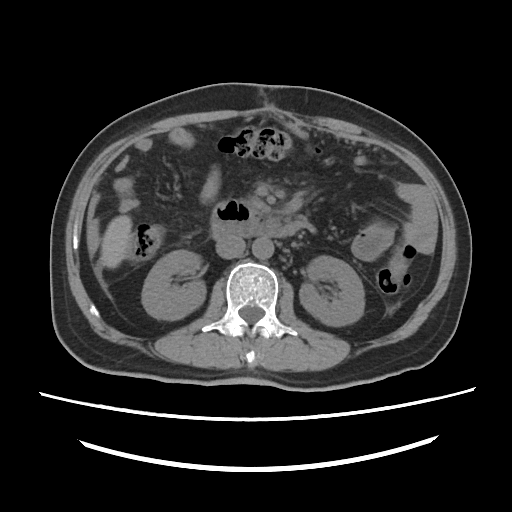
Computed tomography, abdomen — axial view — 512x512 px
Organ boxes in pixel coordinates; each row gives the top-left (x1, y1) and bottom-right (x2, y2) corners.
| organ | x1 | y1 | x2 | y2 |
|---|---|---|---|---|
| right kidney | 142 | 250 | 205 | 320 |
| left kidney | 299 | 255 | 364 | 326 |
| liver | 100 | 215 | 131 | 268 |
| aorta | 252 | 238 | 273 | 259 |
| inferior vena cava | 216 | 236 | 245 | 258 |
| pancreas | 249 | 198 | 268 | 212 |
| duodenum | 211 | 200 | 312 | 239 |